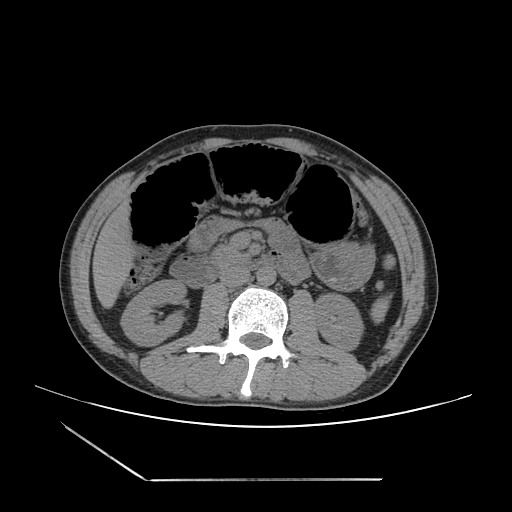
CT, abdomen/pelvis · Axial slice 111/173 · soft-tissue window (W 400 / L 40) · acquired on SOMATOM Force
Coordinates as <box>x1,y1,x2,y2</box> in pixels.
spleen: <box>375,304,384,319</box>
aorta: <box>256,265,275,285</box>
right kidney: <box>121,279,187,344</box>
duodenum: <box>171,250,302,287</box>
pancreas: <box>215,246,248,263</box>
liver: <box>93,204,130,305</box>
left kidney: <box>315,295,361,348</box>
inferior vena cava: <box>220,266,250,287</box>
stomach: <box>313,243,375,289</box>